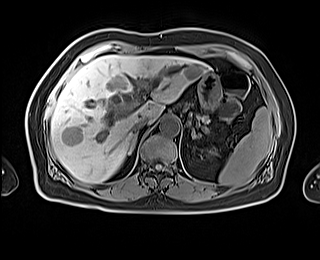

Abdominal MRI; axial view; 13 organs annotated in this scan (a whole-scan count: organs this slice does not pass through have no box)
Coordinates as <box>x1,y1,x2,y2</box> in pixels. 9 labeled organs on this slice — left kidney at <box>209,150,215,155</box>; inferior vena cava at <box>131,118,148,133</box>; stomach at <box>198,73,221,110</box>; pancreas at <box>200,115,209,124</box>; aorta at <box>159,116,179,135</box>; left adrenal gland at <box>191,128,198,138</box>; right adrenal gland at <box>128,134,137,154</box>; liver at <box>50,55,209,183</box>; spleen at <box>219,107,271,185</box>.